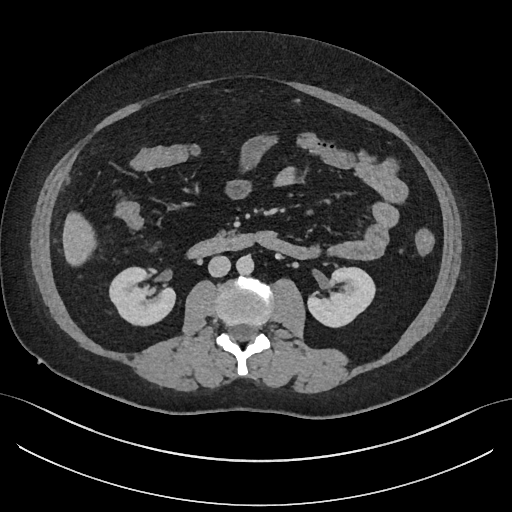 Computed tomography, abdomen; axial view; 512x512 px
One row per box, in pixels: columns x1 and y1 give the top-left corner, x2 and y2 the bottom-right.
| organ | x1 | y1 | x2 | y2 |
|---|---|---|---|---|
| right kidney | 109 | 266 | 175 | 326 |
| left kidney | 308 | 267 | 375 | 328 |
| liver | 62 | 211 | 93 | 263 |
| aorta | 236 | 256 | 253 | 274 |
| inferior vena cava | 208 | 256 | 230 | 277 |
| pancreas | 215 | 229 | 235 | 240 |
| duodenum | 188 | 234 | 255 | 260 |